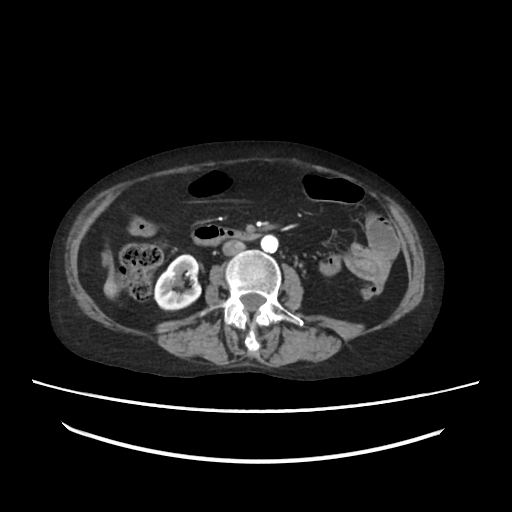

CT, abdomen/pelvis — axial view
Organ boxes in pixel coordinates; each row gives the top-left (x1, y1) and bottom-right (x2, y2) corners.
| organ | x1 | y1 | x2 | y2 |
|---|---|---|---|---|
| inferior vena cava | 224 | 242 | 244 | 253 |
| liver | 101 | 250 | 121 | 299 |
| duodenum | 192 | 225 | 260 | 243 |
| right kidney | 155 | 255 | 200 | 308 |
| aorta | 262 | 236 | 277 | 253 |